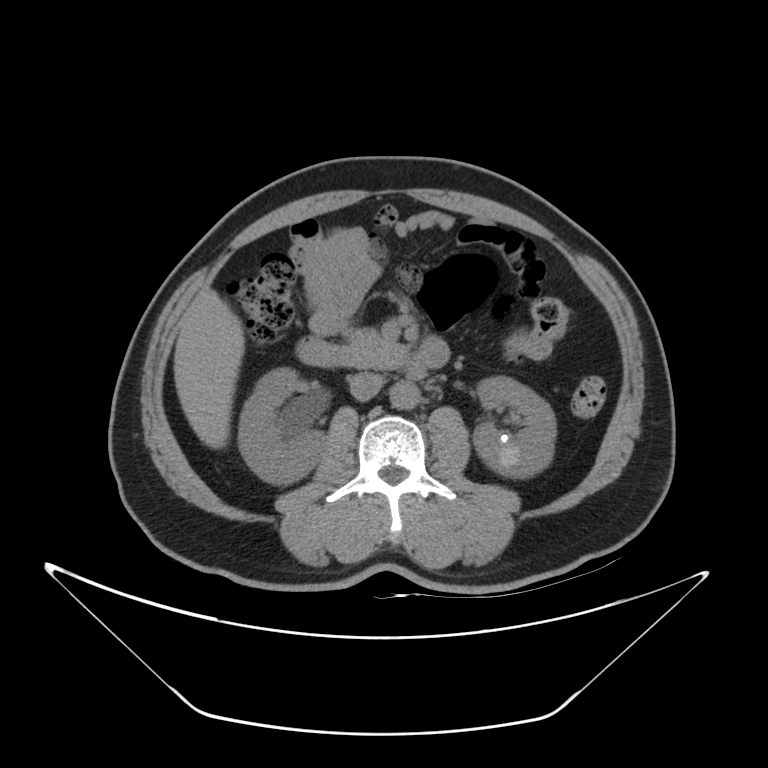

Computed tomography, abdomen — axial view — W/L 400/40 HU
{"organs":{"right kidney":[238,368,326,484],"left kidney":[473,377,556,478],"liver":[173,289,245,448],"aorta":[390,382,419,409],"inferior vena cava":[349,372,383,400],"pancreas":[342,328,412,368],"duodenum":[295,337,449,381]}}